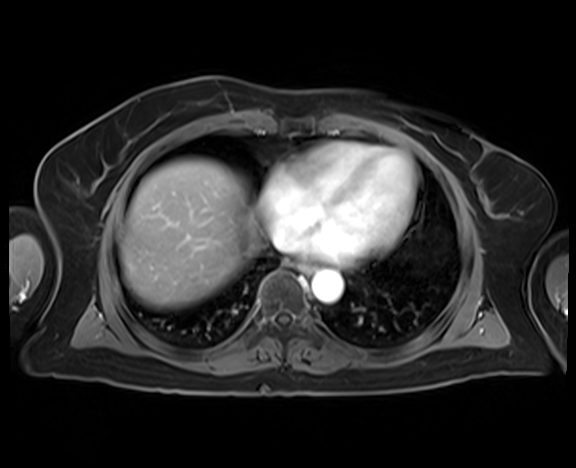
Magnetic resonance imaging, abdomen — axial view — percentile-normalized
Each box given as x1,y1,x2,y2.
Organ bounding boxes:
- esophagus: x1=299, y1=263, x2=315, y2=274
- liver: x1=120, y1=159, x2=261, y2=308
- aorta: x1=312, y1=269, x2=343, y2=302
- inferior vena cava: x1=272, y1=229, x2=298, y2=252